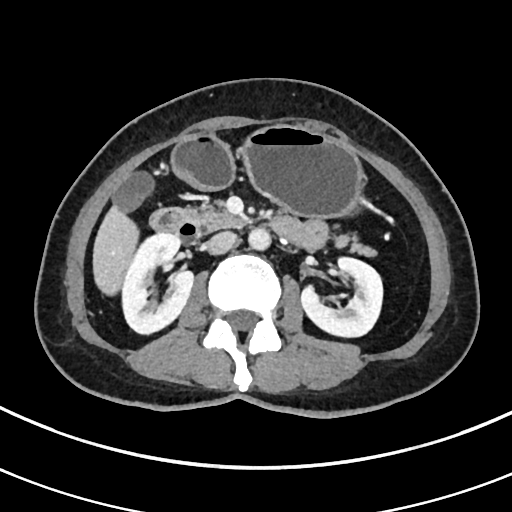 Computed tomography, abdomen · axial view · 512x512 px · acquired on SOMATOM Force
Boxes: x1:y1:x2:y2 in pixels. 9 labeled organs on this slice — gall bladder at 114:170:154:209; pancreas at 192:201:376:256; inferior vena cava at 206:231:236:254; left kidney at 301:258:382:338; stomach at 172:125:363:219; aorta at 248:228:270:251; right kidney at 123:234:194:335; duodenum at 150:207:201:242; liver at 91:204:138:295.